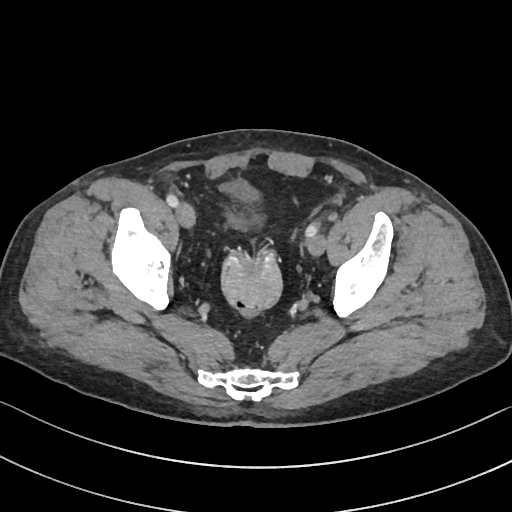
Computed tomography, abdomen. axial view. 512x512 px
Boxes: x1:y1:x2:y2 in pixels.
bladder: 218:178:257:228